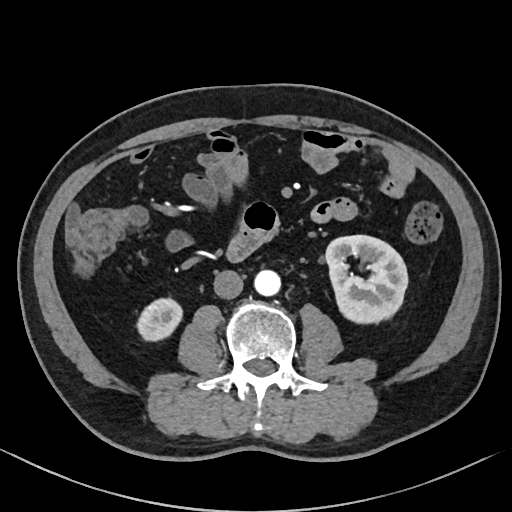 Computed tomography, abdomen · axial view · soft-tissue window (W 400 / L 40) · 512x512 px
<organs><organ name="right kidney" x1="138" y1="298" x2="181" y2="341"/><organ name="left kidney" x1="326" y1="235" x2="407" y2="325"/><organ name="aorta" x1="254" y1="270" x2="281" y2="296"/><organ name="inferior vena cava" x1="214" y1="270" x2="243" y2="299"/></organs>